CT, abdomen/pelvis · axial view · acquired on Aquilion ONE
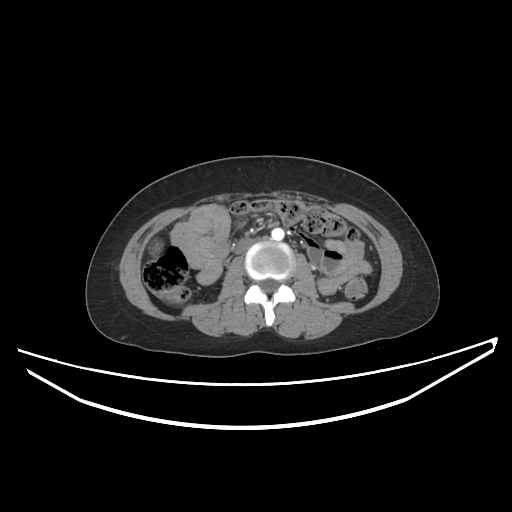
Each box given as x1,y1,x2,y2. The annotated organs in this slice are: aorta at x1=271, y1=228, x2=284, y2=240, inferior vena cava at x1=236, y1=239, x2=254, y2=252.